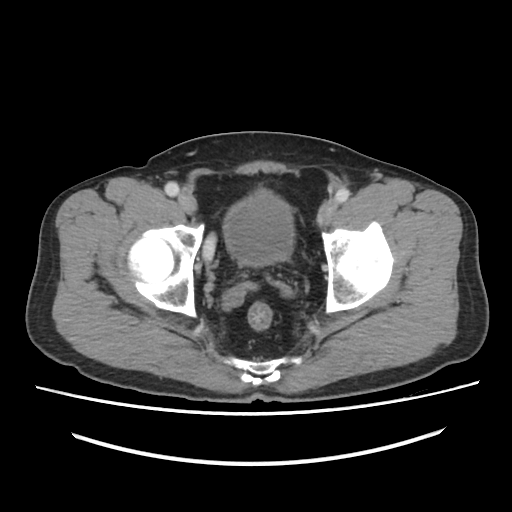
Abdominal CT. Axial slice 17/124
Boxes: x1:y1:x2:y2 in pixels.
Organ bounding boxes:
- bladder: 223:190:294:265